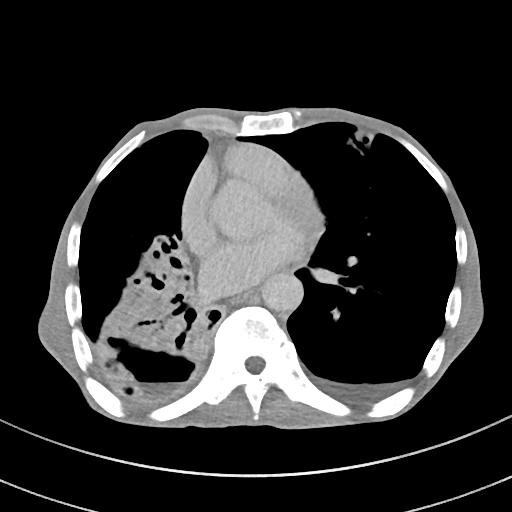
Lower-chest slice from an abdominal CT, just above the liver and spleen; axial view; soft-tissue window; acquired on SOMATOM Force
No part of the heart or lungs is labeled in this dataset, so neither has a box here. Coordinates as <box>x1,y1,x2,y2</box> in pixels. Labeled organs on this slice: aorta at <box>261,272,303,311</box>, esophagus at <box>232,291,256,303</box>.